CT, abdomen/pelvis. axial view. W/L 400/40 HU
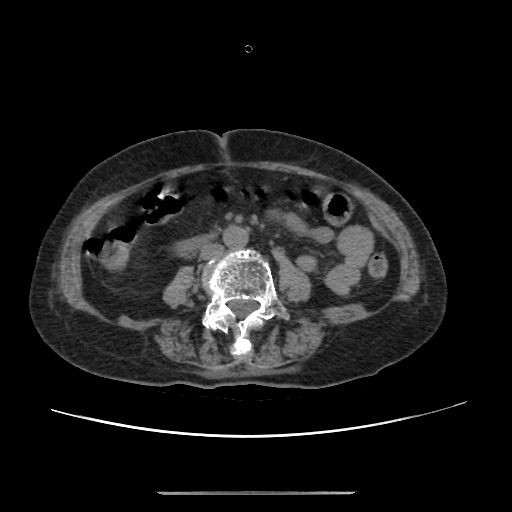 Boxes: x1 y1 x2 y2 (pixel coords, space-separated). Labeled organs on this slice: aorta at 222 225 247 247, inferior vena cava at 199 243 222 259, duodenum at 177 233 212 251.